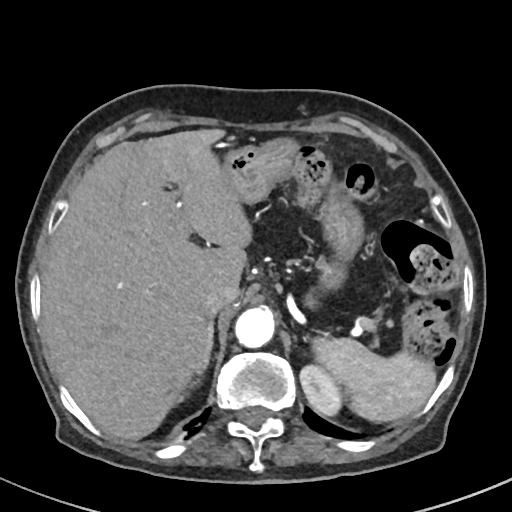 Abdominal CT; axial view; abdomen soft-tissue window
Bounding boxes in pixels, one row per box: x1, y1 is the top-left corner and x2, y2 the bottom-right.
| organ | x1 | y1 | x2 | y2 |
|---|---|---|---|---|
| spleen | 312 | 337 | 436 | 422 |
| left kidney | 300 | 365 | 342 | 415 |
| liver | 42 | 129 | 251 | 439 |
| stomach | 222 | 137 | 364 | 307 |
| aorta | 235 | 307 | 274 | 348 |
| inferior vena cava | 203 | 282 | 239 | 316 |
| pancreas | 358 | 315 | 376 | 329 |
| right adrenal gland | 199 | 319 | 214 | 373 |